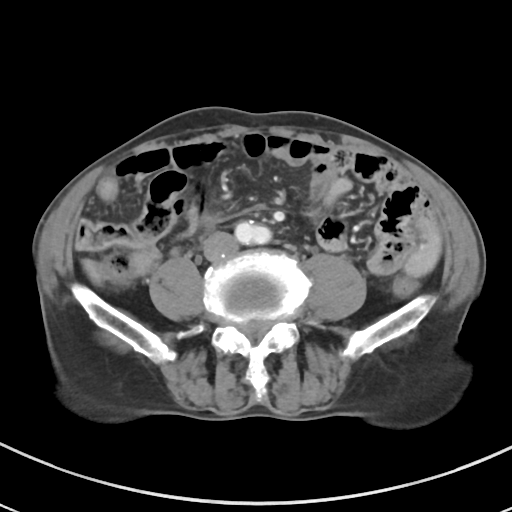
CT, abdomen/pelvis · Axial slice 37/122 · soft-tissue window (W 400 / L 40)
One row per box, in pixels: columns x1 and y1 give the top-left corner, x2 and y2 the bottom-right.
| organ | x1 | y1 | x2 | y2 |
|---|---|---|---|---|
| aorta | 235 | 221 | 271 | 244 |
| inferior vena cava | 203 | 232 | 238 | 261 |